CT, abdomen/pelvis. axial plane, index 11. 512x512 px
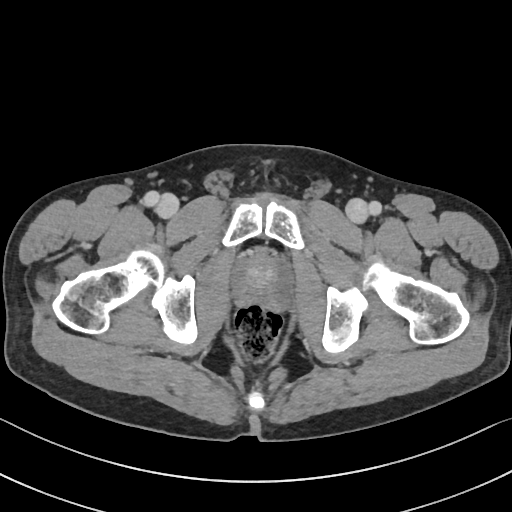
Each box given as x1,y1,x2,y2.
Organ bounding boxes:
- prostate/uterus: x1=233, y1=253, x2=291, y2=309